Abdominal CT · axial view · abdomen soft-tissue window · 55-year-old male patient
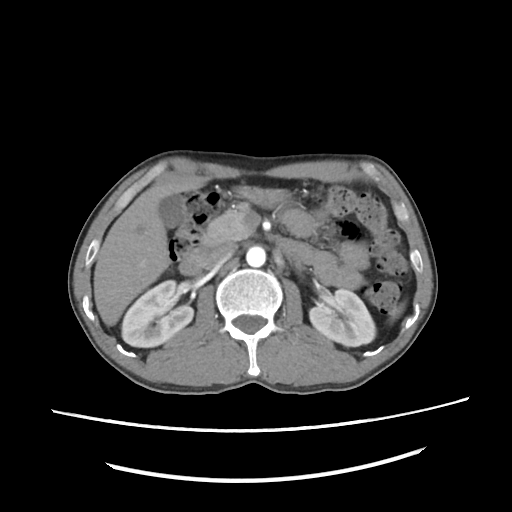

Each box given as x1,y1,x2,y2.
Organ bounding boxes:
- spleen: x1=389, y1=299, x2=407, y2=318
- right kidney: x1=122, y1=280, x2=192, y2=346
- left kidney: x1=308, y1=290, x2=374, y2=346
- gall bladder: x1=159, y1=194, x2=187, y2=228
- liver: x1=92, y1=180, x2=206, y2=325
- stomach: x1=238, y1=186, x2=288, y2=208
- aorta: x1=245, y1=246, x2=265, y2=266
- inferior vena cava: x1=205, y1=242, x2=236, y2=268
- pancreas: x1=200, y1=202, x2=250, y2=246
- duodenum: x1=178, y1=245, x2=205, y2=276